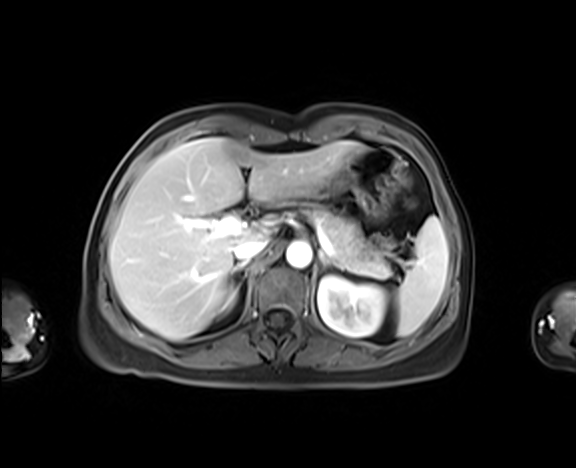

Abdominal MRI. axial view. 13 organs annotated in this scan (that count is for the whole scan; organs this slice misses have no box)
<organs><organ name="aorta" x1="286" y1="241" x2="312" y2="268"/><organ name="liver" x1="109" y1="138" x2="362" y2="340"/><organ name="pancreas" x1="308" y1="206" x2="390" y2="278"/><organ name="spleen" x1="395" y1="217" x2="448" y2="335"/><organ name="left kidney" x1="318" y1="275" x2="386" y2="337"/><organ name="stomach" x1="313" y1="146" x2="399" y2="216"/><organ name="right adrenal gland" x1="230" y1="262" x2="245" y2="275"/><organ name="left adrenal gland" x1="319" y1="251" x2="344" y2="269"/><organ name="inferior vena cava" x1="233" y1="238" x2="267" y2="260"/><organ name="right kidney" x1="218" y1="285" x2="237" y2="311"/></organs>